CT abdomen · Axial slice 226/345 · 512x512 px
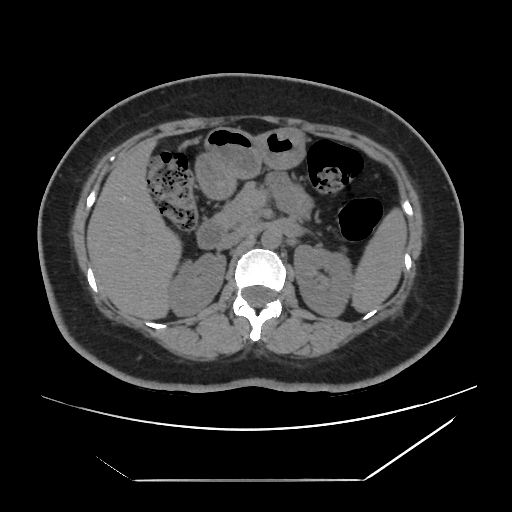
<organs><organ name="left kidney" x1="293" y1="245" x2="351" y2="316"/><organ name="inferior vena cava" x1="217" y1="229" x2="247" y2="249"/><organ name="stomach" x1="194" y1="127" x2="306" y2="199"/><organ name="right kidney" x1="169" y1="254" x2="226" y2="316"/><organ name="pancreas" x1="216" y1="181" x2="319" y2="233"/><organ name="aorta" x1="261" y1="228" x2="282" y2="248"/><organ name="liver" x1="86" y1="137" x2="183" y2="320"/><organ name="duodenum" x1="197" y1="216" x2="226" y2="249"/><organ name="spleen" x1="350" y1="206" x2="407" y2="313"/></organs>